Computed tomography, abdomen — axial plane, index 41 — soft-tissue window (W 400 / L 40) — 512x512 px
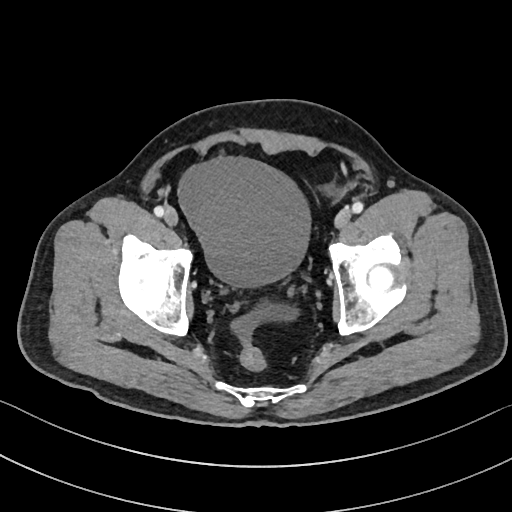

<organs><organ name="bladder" x1="178" y1="157" x2="310" y2="287"/></organs>